Computed tomography, abdomen; axial plane, index 14; soft-tissue window (W 400 / L 40); acquired on Aquilion ONE
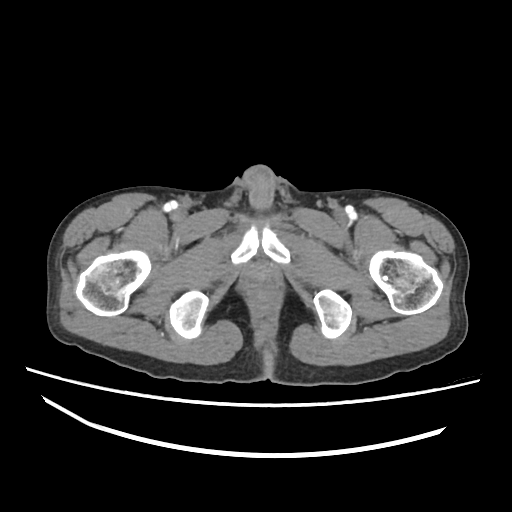
Box edges are left/top/right/bottom in pixels. Labeled organs on this slice: prostate/uterus at left=249, top=264, right=271, bottom=281.